Computed tomography, abdomen — Axial slice 57/99 — abdomen soft-tissue window
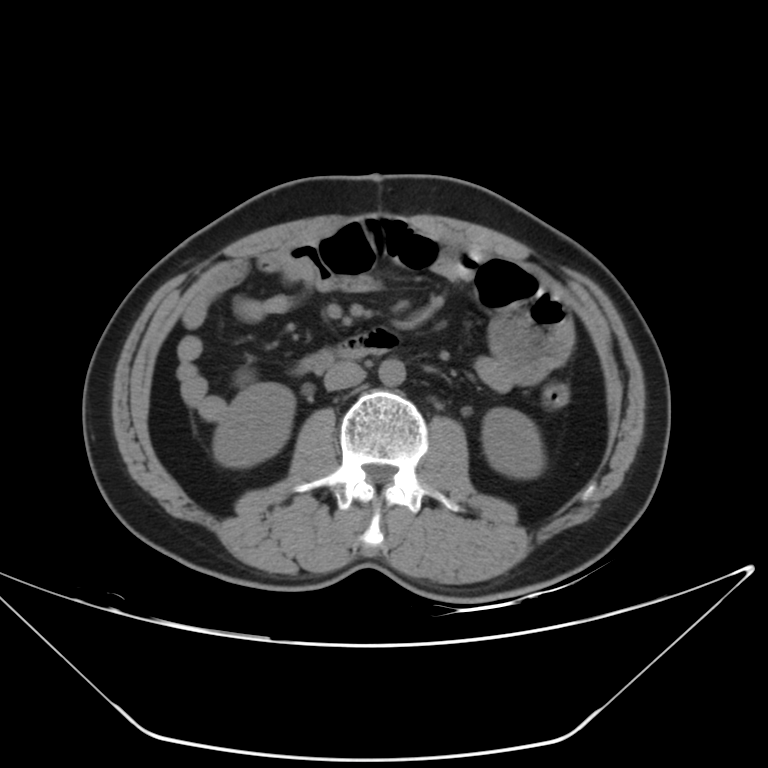

<organs><organ name="left kidney" x1="482" y1="408" x2="543" y2="477"/><organ name="inferior vena cava" x1="324" y1="362" x2="365" y2="390"/><organ name="right kidney" x1="213" y1="382" x2="294" y2="467"/><organ name="aorta" x1="378" y1="359" x2="405" y2="386"/><organ name="duodenum" x1="299" y1="329" x2="397" y2="373"/></organs>